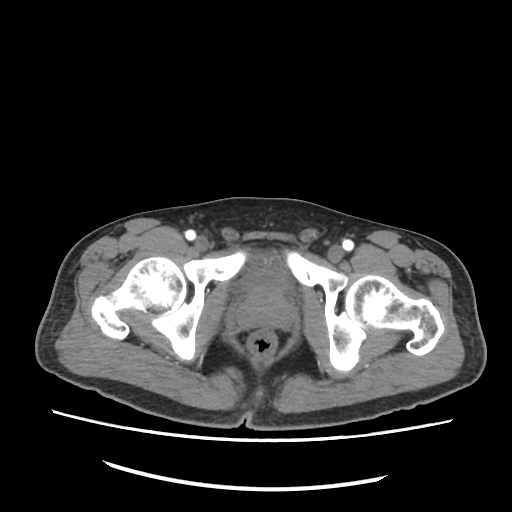 Abdominal CT. axial view. 54-year-old male patient. scan has 15 labeled organs (counted over the whole 3D scan, not this slice; an organ is boxed only where this slice passes through it)
<organs><organ name="bladder" x1="244" y1="265" x2="289" y2="292"/><organ name="prostate/uterus" x1="237" y1="291" x2="290" y2="329"/></organs>